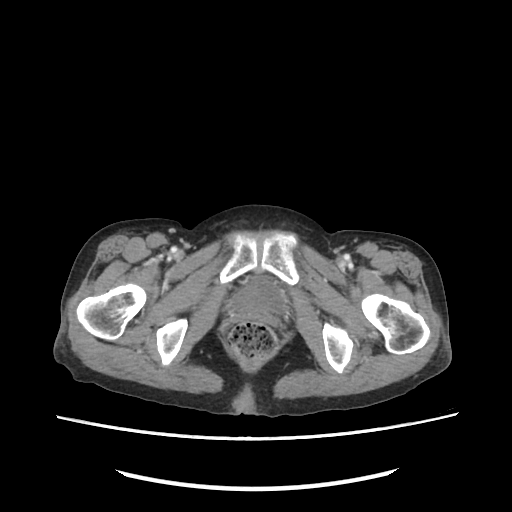

CT abdomen · axial view · abdomen soft-tissue window · 512x512 px · 73-year-old female patient · acquired on Aquilion ONE · scan has 15 labeled organs (a whole-scan count: organs this slice does not pass through have no box)
Boxes: x1 y1 x2 y2 (pixel coords, space-separated).
bladder: 235 284 286 315